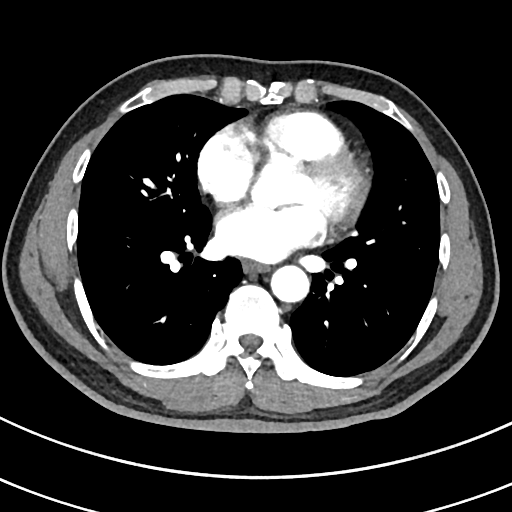
Chest-level slice from an abdominal CT that extends up into the chest — axial view — soft-tissue window (W 400 / L 40)
On a slice this high in the chest, this dataset labels only the esophagus and the aorta, and each is boxed only where it is labeled; the heart, lungs and other chest structures are not labeled.
One row per box, in pixels: columns x1 and y1 give the top-left corner, x2 and y2 the bottom-right.
| organ | x1 | y1 | x2 | y2 |
|---|---|---|---|---|
| esophagus | 242 | 261 | 268 | 273 |
| aorta | 271 | 266 | 309 | 302 |